Lower-chest slice from an abdominal CT, just above the liver and spleen — axial plane, index 334 — soft-tissue window, W/L 400/40 — 15 organs annotated in this scan (that count is for the whole scan; organs this slice misses have no box)
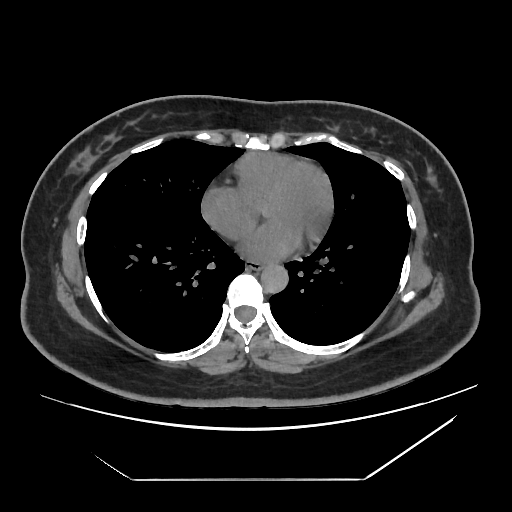 The heart and lungs are never labeled in this dataset, so they have no box on this slice.
<organs><organ name="esophagus" x1="247" y1="260" x2="262" y2="270"/><organ name="aorta" x1="261" y1="265" x2="288" y2="293"/></organs>